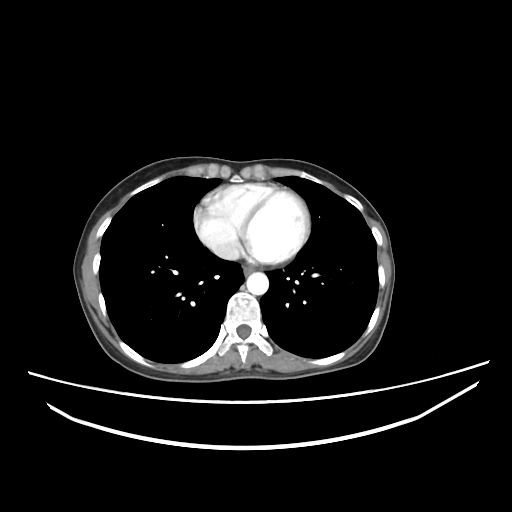

Abdominal CT; this slice is in the lower chest, just above the liver — axial view
The heart and lungs are never labeled in this dataset, so they have no box on this slice. Boxes are (x1, y1, x2, y2) in pixels. The annotated organs in this slice are: esophagus at (243, 266, 253, 275), aorta at (246, 272, 268, 294), inferior vena cava at (213, 242, 239, 260).